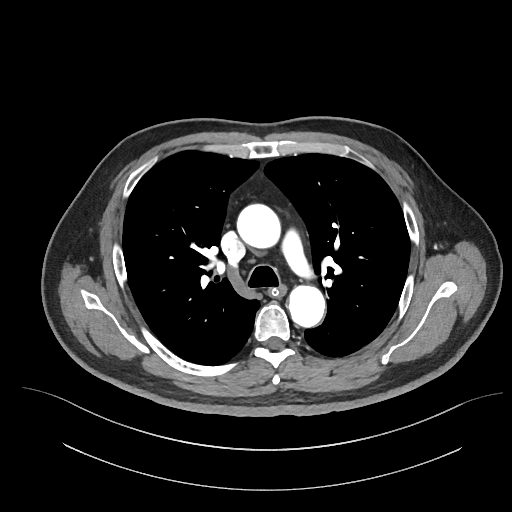
Abdominal CT reaching into the chest; this slice is in the chest — Axial slice 276/333 — acquired on SOMATOM Force
At this level of the chest this dataset labels only the esophagus and the aorta, and each is boxed only where it is labeled; the heart and lungs are never labeled.
{"organs":{"esophagus":[271,284,286,295],"aorta":[[238,205,281,249],[288,285,325,326]]}}